CT, abdomen/pelvis — axial view — soft-tissue window — 512x512 px — Aquilion ONE scanner
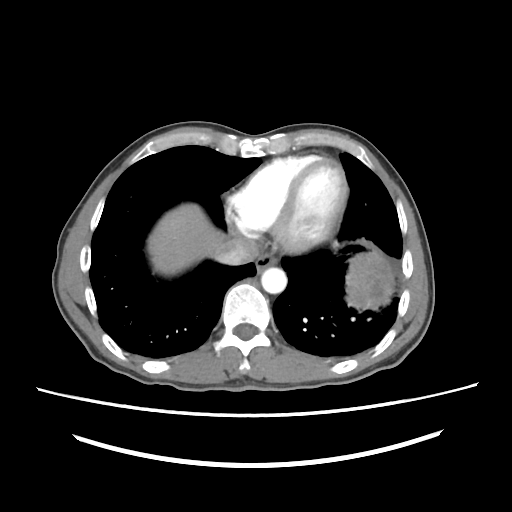 Boxes: x1 y1 x2 y2 (pixel coords, space-separated).
Organ bounding boxes:
- esophagus: 257 252 277 270
- liver: 147 204 230 274
- aorta: 260 267 286 293
- inferior vena cava: 216 238 259 264